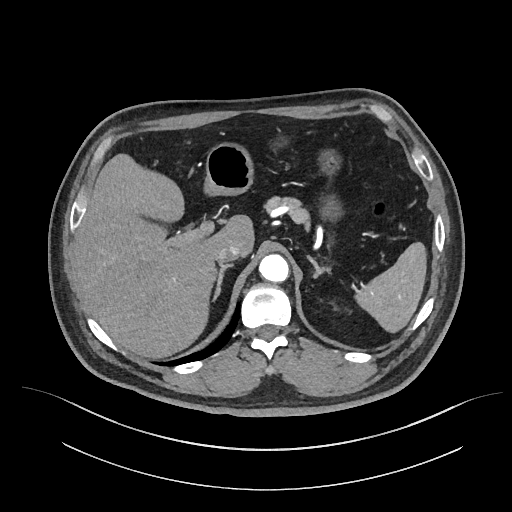
CT abdomen · axial view · 512x512 px · acquired on SOMATOM Force · scan has 15 labeled organs (a whole-scan count: organs this slice does not pass through have no box)
Bounding boxes as [x1, y1, x2, y2] in pixel coordinates.
Organ bounding boxes:
- spleen: [357, 242, 425, 331]
- liver: [77, 153, 255, 357]
- stomach: [205, 141, 349, 229]
- aorta: [259, 254, 289, 283]
- inferior vena cava: [216, 245, 239, 264]
- pancreas: [264, 196, 310, 230]
- right adrenal gland: [214, 264, 232, 298]
- left adrenal gland: [307, 254, 332, 278]